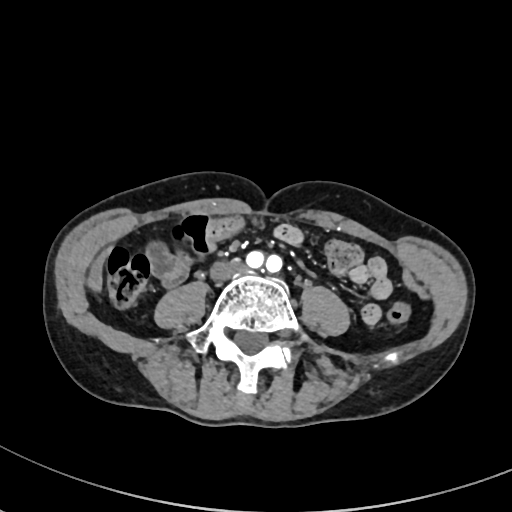 Abdominal CT — axial plane, index 102 — soft-tissue window (W 400 / L 40) — 512x512 px — acquired on SOMATOM Force
Each box given as x1,y1,x2,y2.
inferior vena cava: x1=208, y1=260, x2=244, y2=280